CT abdomen · Axial slice 129/192 · 15 organs annotated in this scan (that count is for the whole scan; organs this slice misses have no box)
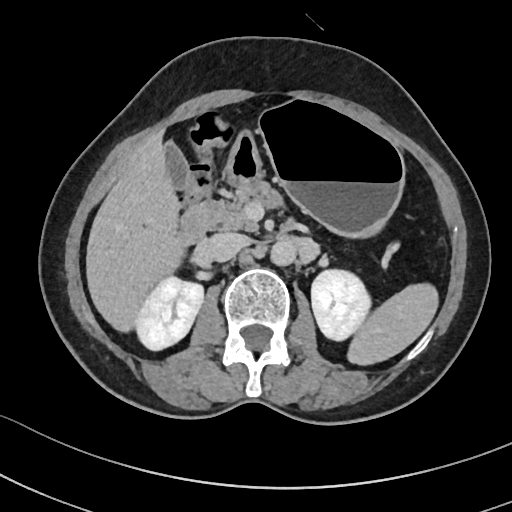 One row per box, in pixels: columns x1 and y1 give the top-left corner, x2 and y2 the bottom-right.
| organ | x1 | y1 | x2 | y2 |
|---|---|---|---|---|
| aorta | 271 | 239 | 296 | 265 |
| gall bladder | 165 | 142 | 187 | 189 |
| stomach | 227 | 99 | 404 | 236 |
| inferior vena cava | 205 | 232 | 248 | 261 |
| left kidney | 311 | 269 | 371 | 340 |
| right kidney | 134 | 276 | 203 | 350 |
| spleen | 347 | 283 | 438 | 365 |
| pancreas | 195 | 181 | 282 | 231 |
| liver | 86 | 133 | 183 | 331 |
| duodenum | 176 | 205 | 210 | 245 |